CT abdomen — axial plane, index 36
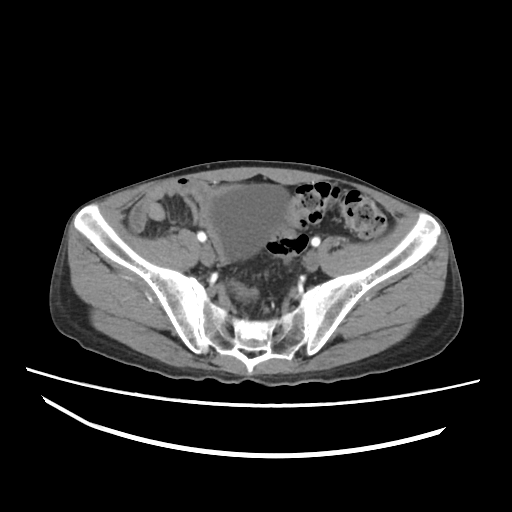

Bounding boxes in pixels, one row per box: x1, y1 is the top-left corner and x2, y2 the bottom-right.
| organ | x1 | y1 | x2 | y2 |
|---|---|---|---|---|
| bladder | 208 | 184 | 289 | 258 |